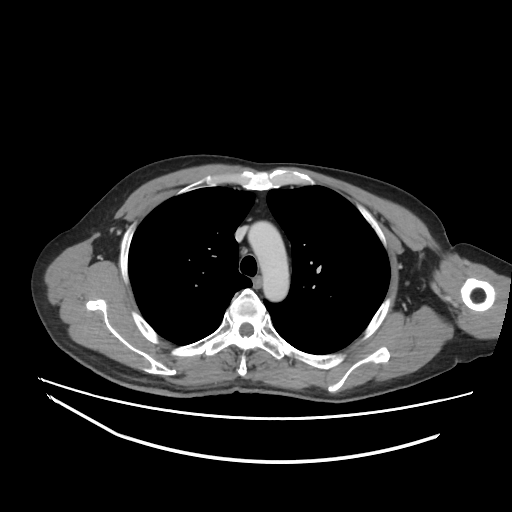 CT of the abdomen extending into the chest, slice through the chest; axial view; 54-year-old male patient; 15 organs annotated in this scan (a whole-scan count: organs this slice does not pass through have no box)
At this level of the chest no structure but the esophagus and the aorta has a label in this dataset, and those two are boxed only where they are labeled.
Box edges are left/top/right/bottom in pixels.
Organ bounding boxes:
- aorta: left=248, top=221, right=289, bottom=301
- esophagus: left=252, top=278, right=262, bottom=287